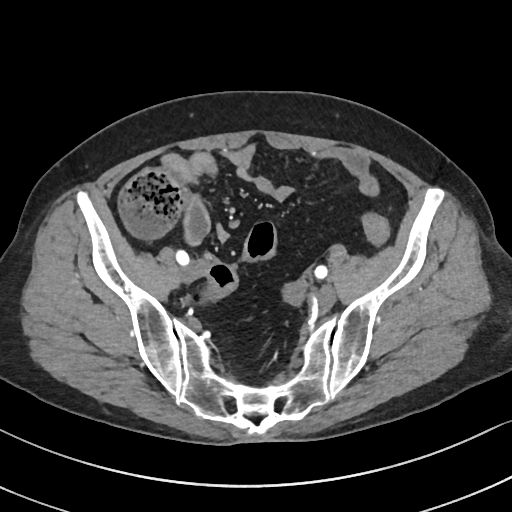
Abdominal CT — axial view
Box edges are left/top/right/bottom in pixels. The annotated organs in this slice are: prostate/uterus at left=283, top=283, right=302, bottom=301.